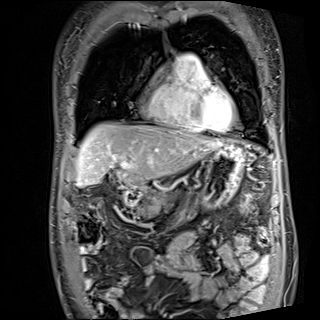

MRI, abdomen · coronal view
{"organs":{"pancreas":[145,185,172,214],"duodenum":[124,187,139,204],"liver":[76,122,222,186],"stomach":[137,142,244,207]}}